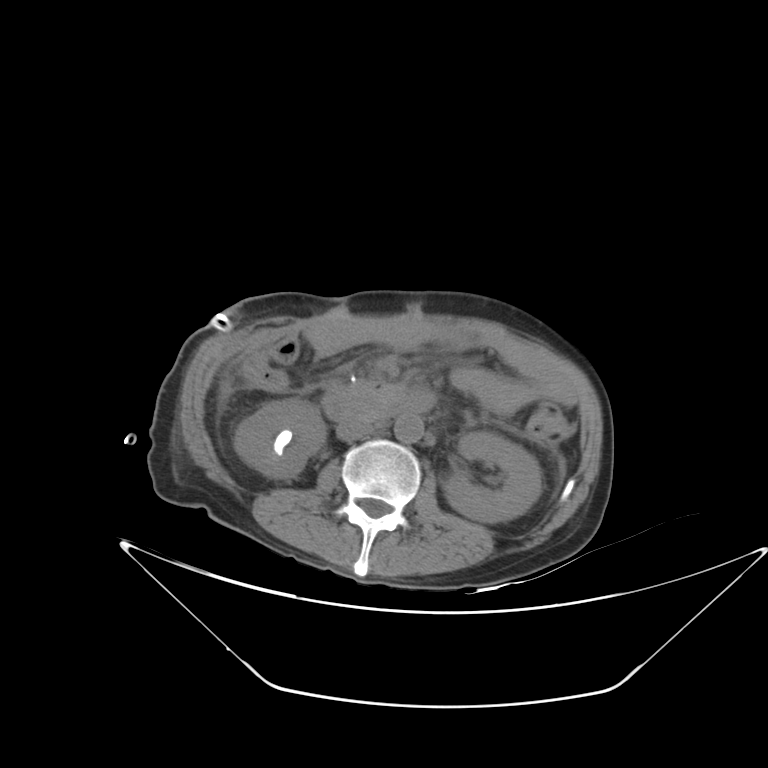 Computed tomography, abdomen · axial plane, index 57 · soft-tissue window · 768x768 px · 56-year-old male patient · Brilliance16 scanner
Coordinates as <box>x1,y1,x2,y2</box> in pixels. Labeled organs on this slice: right kidney at <box>233,398,326,477</box>, left kidney at <box>442,432,541,522</box>, aorta at <box>394,414,423,443</box>, inferior vena cava at <box>336,419,373,441</box>, duodenum at <box>322,378,433,420</box>.